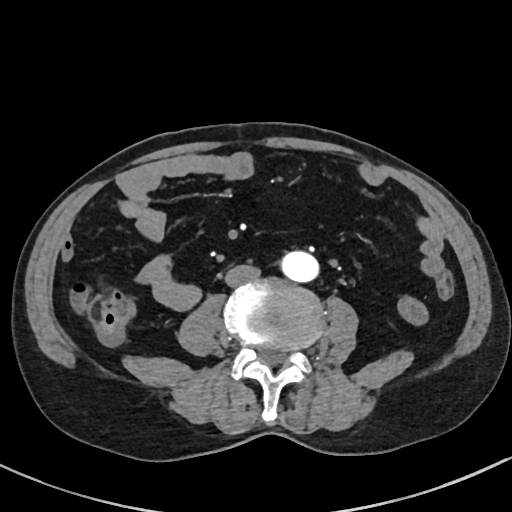 Computed tomography, abdomen — axial view — W/L 400/40 HU — SOMATOM Force scanner
One row per box, in pixels: columns x1 and y1 give the top-left corner, x2 and y2 the bottom-right.
| organ | x1 | y1 | x2 | y2 |
|---|---|---|---|---|
| aorta | 281 | 251 | 318 | 282 |
| inferior vena cava | 225 | 264 | 261 | 287 |